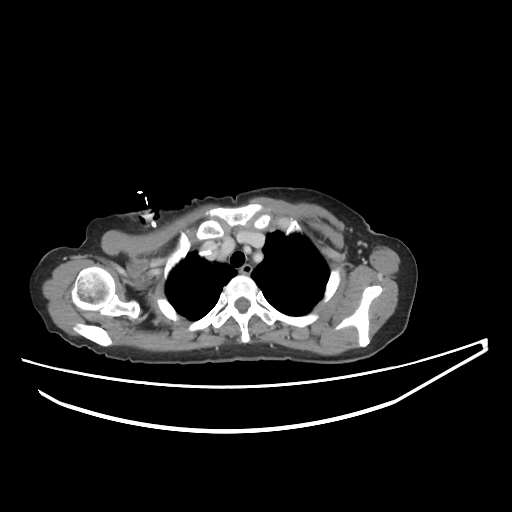
CT of the abdomen extending into the chest, slice through the chest · axial plane, index 110 · 512x512 px · 62-year-old female patient · acquired on Aquilion ONE
On a slice this high in the chest, this dataset labels only the esophagus and the aorta, and each is boxed only where it is labeled; the heart, lungs and other chest structures are not labeled.
Box edges are left/top/right/bottom in pixels.
esophagus: left=241, top=264, right=251, bottom=272